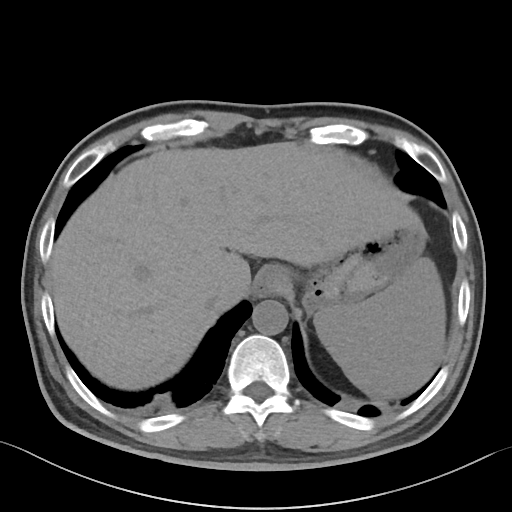
Computed tomography, abdomen. axial view. 512x512 px. acquired on SOMATOM Force
{"organs":{"spleen":[313,258,445,396],"stomach":[288,223,425,313],"esophagus":[254,265,288,297],"aorta":[252,300,288,335],"inferior vena cava":[206,296,221,309],"liver":[50,144,428,390]}}